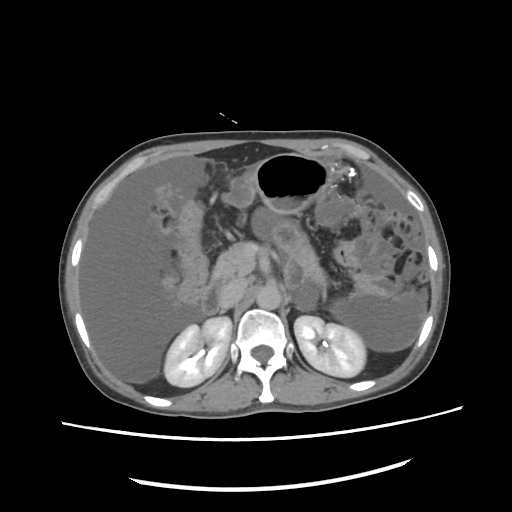
CT, abdomen/pelvis. axial view. abdomen soft-tissue window. 39-year-old female patient. acquired on Aquilion ONE
{"organs":{"duodenum":[202,260,304,313],"left adrenal gland":[295,307,305,310],"pancreas":[214,242,255,277],"aorta":[257,286,281,313],"right kidney":[165,317,231,386],"inferior vena cava":[220,280,244,308],"left kidney":[293,315,365,377],"stomach":[251,153,333,216]}}